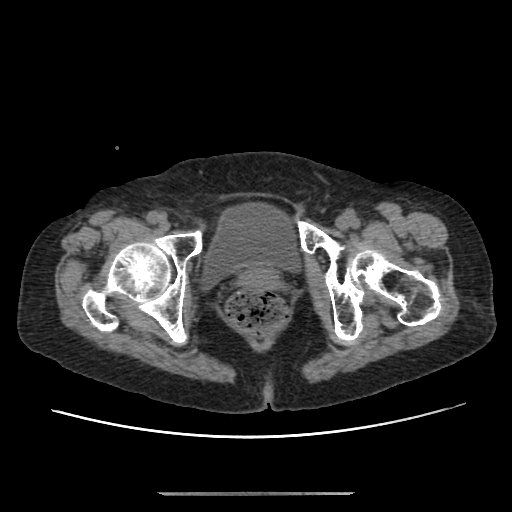
CT abdomen; axial view
Bounding boxes in pixels, one row per box: x1, y1 is the top-left corner and x2, y2 the bottom-right.
| organ | x1 | y1 | x2 | y2 |
|---|---|---|---|---|
| bladder | 200 | 202 | 301 | 288 |
| prostate/uterus | 238 | 265 | 280 | 288 |